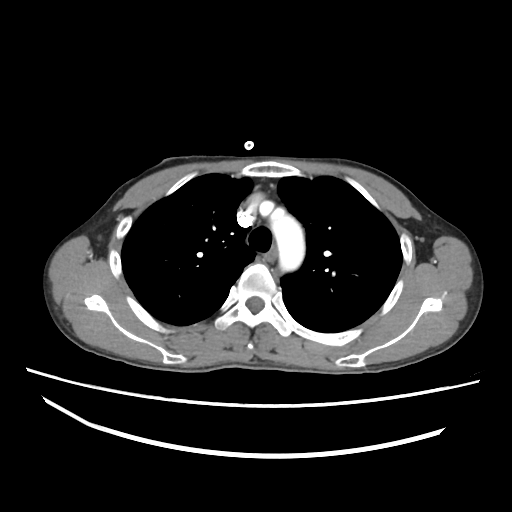 Chest-level slice from an abdominal CT that extends up into the chest. axial plane, index 121. soft-tissue window, W/L 400/40. 512x512 px. 15 organs annotated in this scan (that count is for the whole scan; organs this slice misses have no box)
At this level of the chest no structure but the esophagus and the aorta has a label in this dataset, and those two are boxed only where they are labeled.
Each box given as x1,y1,x2,y2.
Organ bounding boxes:
- aorta: x1=262, y1=202, x2=305, y2=271